Abdominal MRI; axial view; acquired on Prisma
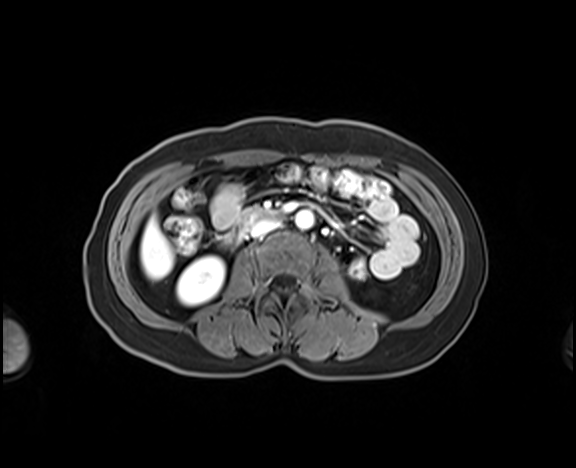
Bounding boxes in pixels, one row per box: x1, y1 is the top-left corner and x2, y2 the bottom-right.
| organ | x1 | y1 | x2 | y2 |
|---|---|---|---|---|
| liver | 141 | 215 | 173 | 278 |
| right kidney | 177 | 256 | 225 | 305 |
| duodenum | 231 | 207 | 283 | 241 |
| inferior vena cava | 250 | 219 | 279 | 236 |
| aorta | 295 | 210 | 314 | 228 |